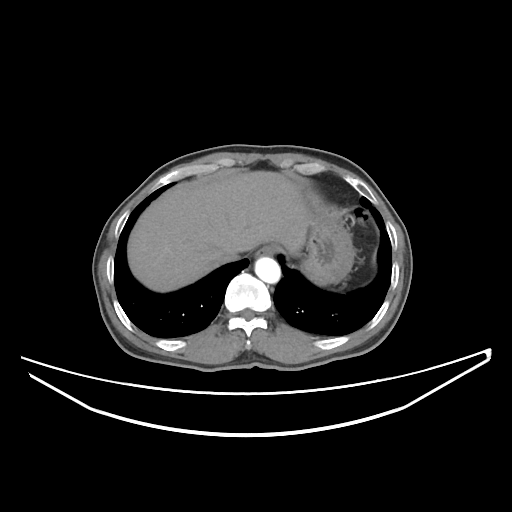 CT, abdomen/pelvis. axial plane, index 76. 512x512 px
Organ boxes in pixel coordinates; each row gives the top-left (x1, y1) and bottom-right (x2, y2) corners.
| organ | x1 | y1 | x2 | y2 |
|---|---|---|---|---|
| esophagus | 254 | 244 | 278 | 257 |
| liver | 127 | 171 | 315 | 292 |
| stomach | 300 | 210 | 354 | 284 |
| aorta | 255 | 257 | 280 | 283 |
| inferior vena cava | 218 | 253 | 239 | 263 |